Computed tomography, abdomen. axial plane, index 17. 63-year-old male patient. acquired on Aquilion ONE
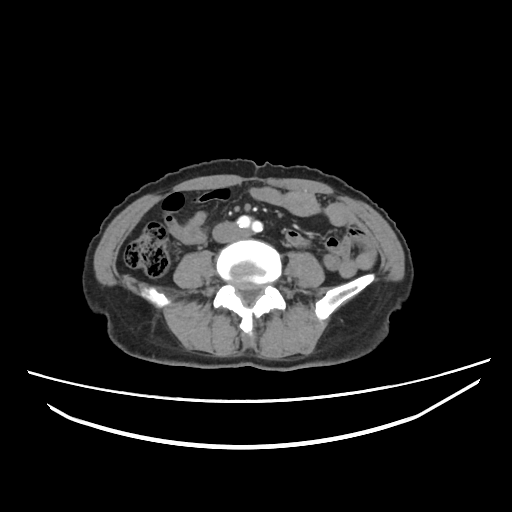 Boxes are (x1, y1, x2, y2) in pixels.
inferior vena cava: (213, 222, 242, 242)